Abdominal CT · Axial slice 205/314 · 512x512 px
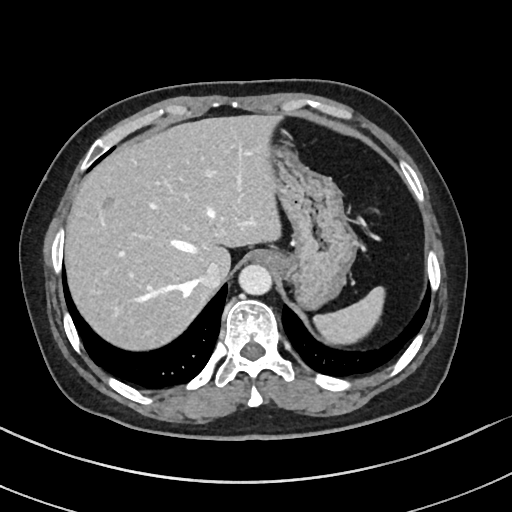

Organ boxes in pixel coordinates; each row gives the top-left (x1, y1) and bottom-right (x2, y2) corners.
| organ | x1 | y1 | x2 | y2 |
|---|---|---|---|---|
| spleen | 313 | 287 | 384 | 344 |
| esophagus | 250 | 250 | 278 | 266 |
| liver | 66 | 115 | 279 | 352 |
| stomach | 268 | 128 | 356 | 306 |
| aorta | 240 | 265 | 273 | 295 |
| inferior vena cava | 199 | 261 | 227 | 288 |